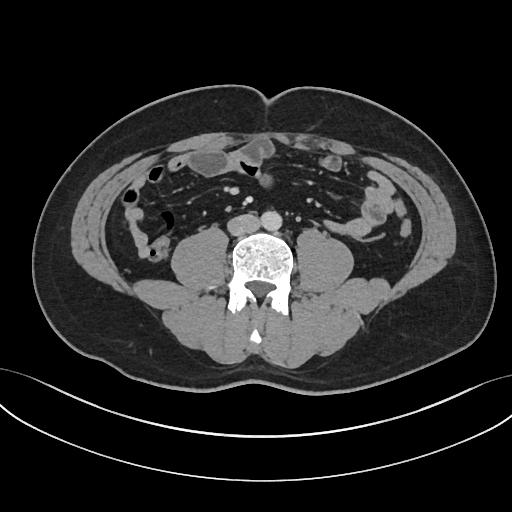
Abdominal CT. axial view. soft-tissue window
Box edges are left/top/right/bottom in pixels.
inferior vena cava: left=228, top=214, right=259, bottom=235
aorta: left=260, top=211, right=282, bottom=230